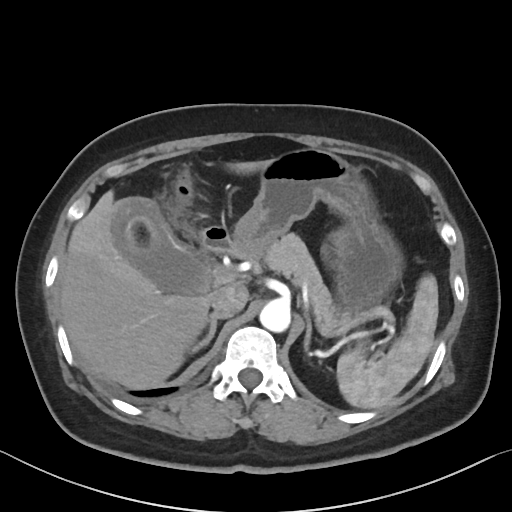

CT abdomen; axial view; W/L 400/40 HU; SOMATOM Force scanner
{"organs":{"spleen":[337,274,438,408],"gall bladder":[111,198,208,293],"liver":[59,161,267,389],"stomach":[229,148,400,312],"aorta":[259,299,290,332],"inferior vena cava":[210,285,248,318],"pancreas":[264,233,351,333],"right adrenal gland":[190,314,221,353],"left adrenal gland":[304,314,311,355],"duodenum":[201,226,229,252]}}